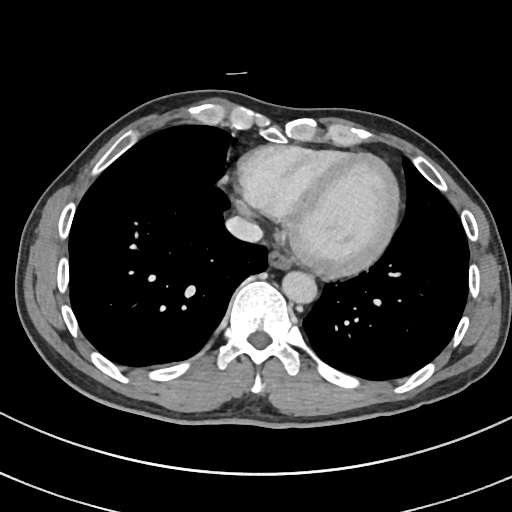

CT of the abdomen reaching into the lower chest, slice just above the liver and spleen — axial view — W/L 400/40 HU
The heart and lungs are never labeled in this dataset, so they have no box on this slice. Each box given as x1,y1,x2,y2. The annotated organs in this slice are: esophagus at x1=268, y1=247, x2=292, y2=268, aorta at x1=282, y1=270, x2=316, y2=302, inferior vena cava at x1=224, y1=215, x2=262, y2=241.